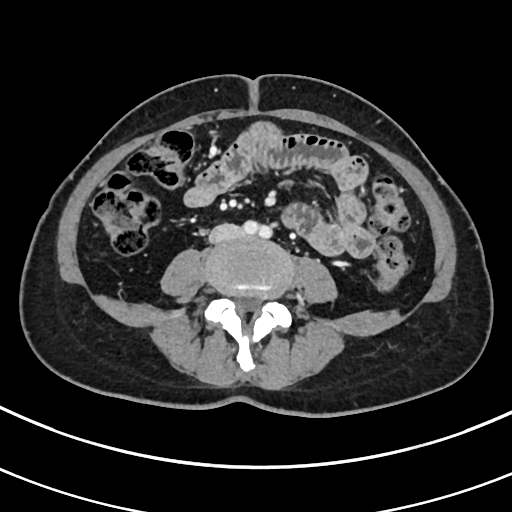
Abdominal CT; axial view; 512x512 px; scan has 15 labeled organs (that count is for the whole scan; organs this slice misses have no box)
Bounding boxes as [x1, y1, x2, y2] in pixel coordinates.
Organ bounding boxes:
- inferior vena cava: [209, 224, 242, 242]